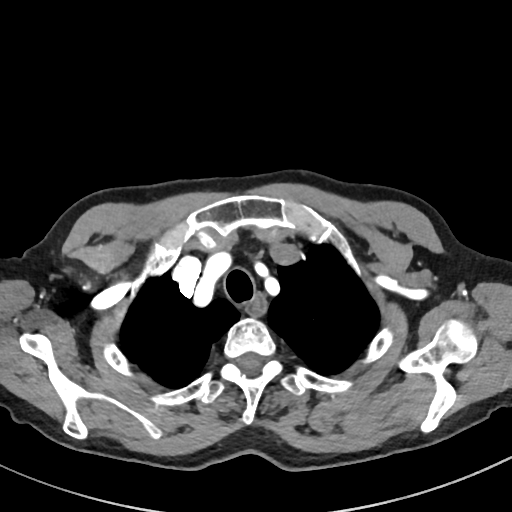 Abdominal CT reaching into the chest; this slice is in the chest; axial plane, index 287
On a slice this high in the chest, this dataset labels only the esophagus and the aorta, and each is boxed only where it is labeled; the heart, lungs and other chest structures are not labeled. Each box given as x1,y1,x2,y2. Labeled organs on this slice: esophagus at x1=246, y1=296, x2=266, y2=315.